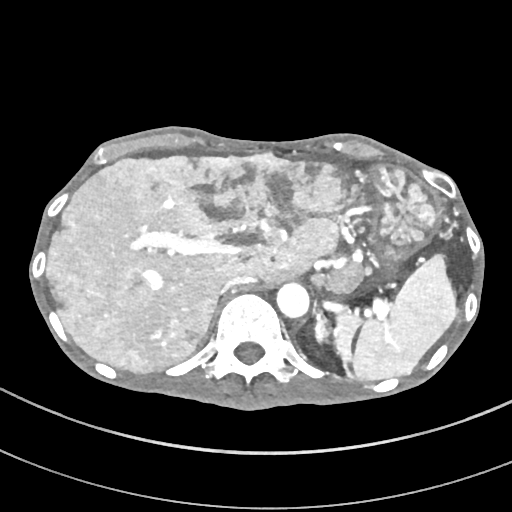

Computed tomography, abdomen — Axial slice 169/218 — soft-tissue window (W 400 / L 40)
Boxes: x1:y1:x2:y2 in pixels.
Organ bounding boxes:
- liver: 46:152:368:373
- spleen: 334:255:455:381
- aorta: 277:283:309:318
- inferior vena cava: 221:275:256:297
- left adrenal gland: 314:312:329:343
- stomach: 367:162:438:274